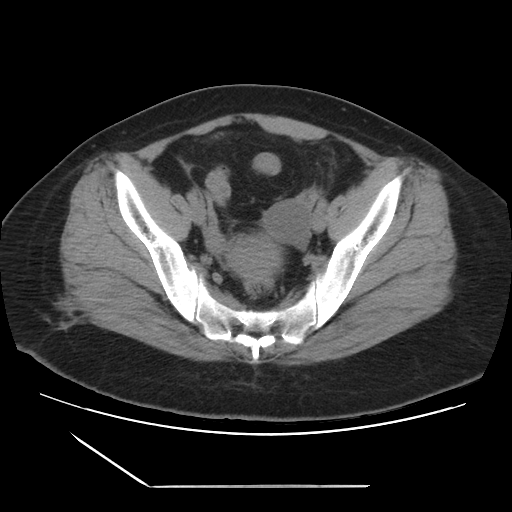 CT abdomen — axial view — soft-tissue window (W 400 / L 40)
Boxes are (x1, y1, x2, y2) in pixels. The annotated organs in this slice are: prostate/uterus at (229, 236, 280, 275).